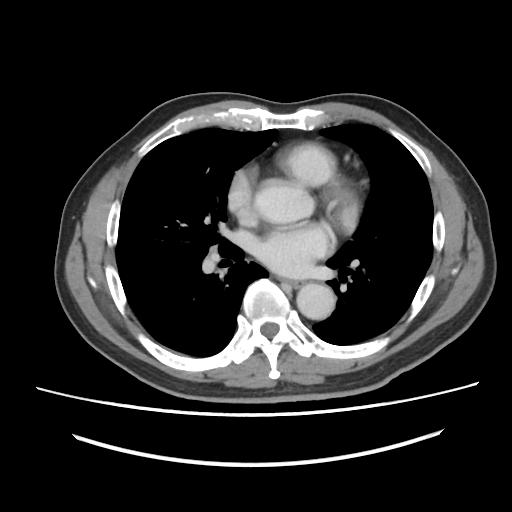

Chest-level CT slice, above the liver and spleen — Axial slice 95/124 — W/L 400/40 HU — 512x512 px — 58-year-old male patient — 14 organs annotated in this scan (counted over the whole 3D scan, not this slice; an organ is boxed only where this slice passes through it)
On a slice this high in the chest, this dataset labels only the esophagus and the aorta, and each is boxed only where it is labeled; the heart, lungs and other chest structures are not labeled.
Box edges are left/top/right/bottom in pixels.
Organ bounding boxes:
- esophagus: left=281, top=279, right=299, bottom=287
- aorta: left=296, top=283, right=335, bottom=319